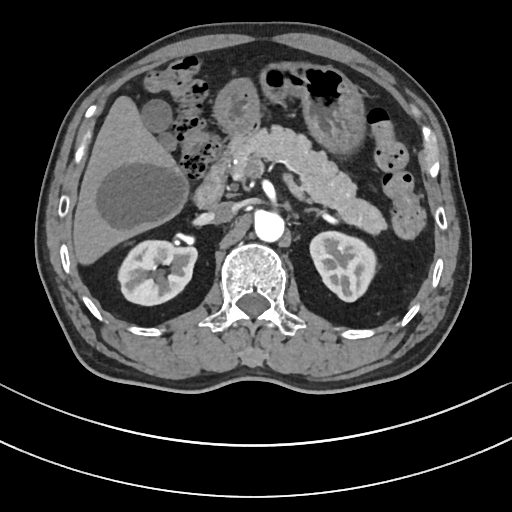

CT abdomen. Axial slice 142/280. abdomen soft-tissue window. 15 organs annotated in this scan (a whole-scan count: organs this slice does not pass through have no box)
<organs><organ name="right kidney" x1="118" y1="240" x2="197" y2="305"/><organ name="left kidney" x1="309" y1="231" x2="376" y2="301"/><organ name="gall bladder" x1="141" y1="100" x2="174" y2="148"/><organ name="liver" x1="72" y1="96" x2="189" y2="264"/><organ name="stomach" x1="214" y1="61" x2="364" y2="153"/><organ name="aorta" x1="254" y1="211" x2="284" y2="241"/><organ name="inferior vena cava" x1="208" y1="202" x2="235" y2="223"/><organ name="pancreas" x1="228" y1="126" x2="385" y2="234"/><organ name="left adrenal gland" x1="305" y1="207" x2="317" y2="212"/><organ name="duodenum" x1="194" y1="122" x2="262" y2="208"/></organs>